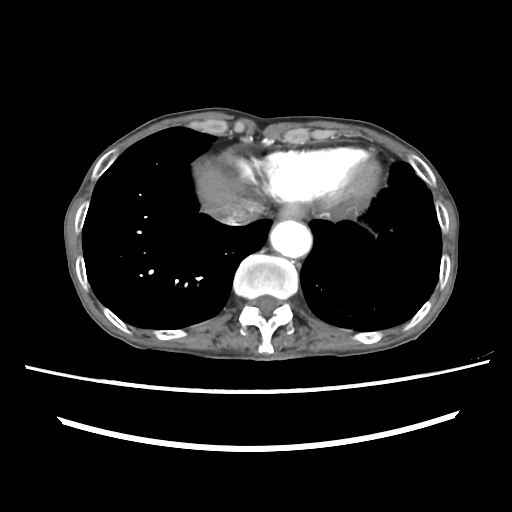 Abdominal CT; axial plane, index 72; 81-year-old male patient
{"organs":{"esophagus":[279,205,303,218],"liver":[196,166,246,211],"aorta":[270,220,311,258],"inferior vena cava":[210,200,263,226]}}